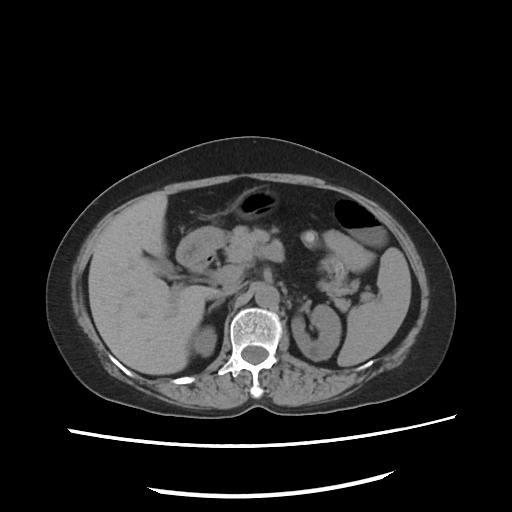
CT, abdomen/pelvis. axial view. 56-year-old female patient. scan has 15 labeled organs (that count is for the whole scan; organs this slice misses have no box)
Boxes: x1 y1 x2 y2 (pixel coords, space-separated). Labeled organs on this slice: inferior vena cava at 213 284 240 299, gall bladder at 151 257 177 283, liver at 88 194 215 375, pancreas at 226 227 357 310, right kidney at 193 326 215 356, left kidney at 290 305 340 361, stomach at 177 184 281 270, duodenum at 190 252 215 271, aorta at 256 286 279 307, right adrenal gland at 209 299 226 312, spleen at 337 246 412 368.